Computed tomography, abdomen · axial view · abdomen soft-tissue window
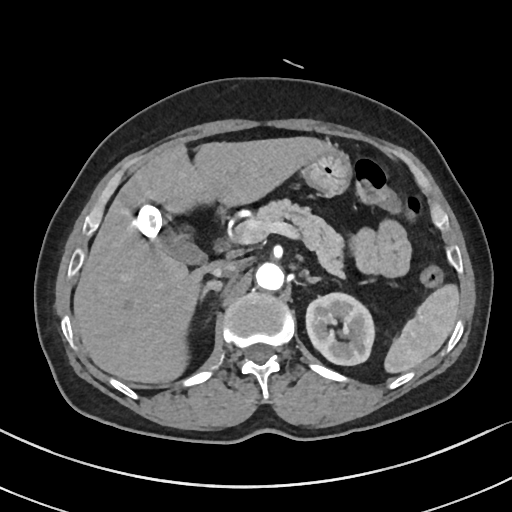

{"organs":{"spleen":[385,285,458,372],"left kidney":[306,292,375,365],"gall bladder":[136,204,206,264],"liver":[74,137,331,382],"stomach":[300,149,350,194],"aorta":[255,262,283,290],"inferior vena cava":[210,261,242,276],"pancreas":[256,197,342,275],"right adrenal gland":[200,280,220,297],"left adrenal gland":[307,276,321,283]}}